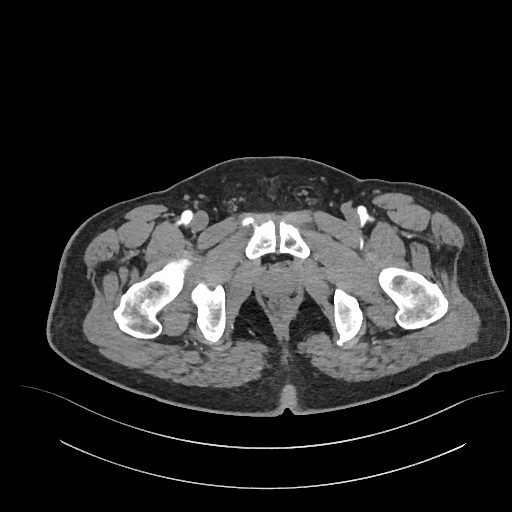

Computed tomography, abdomen; axial view; soft-tissue window (W 400 / L 40); 512x512 px
Each box given as x1,y1,x2,y2. Labeled organs on this slice: prostate/uterus at x1=261, y1=267, x2=295, y2=296.